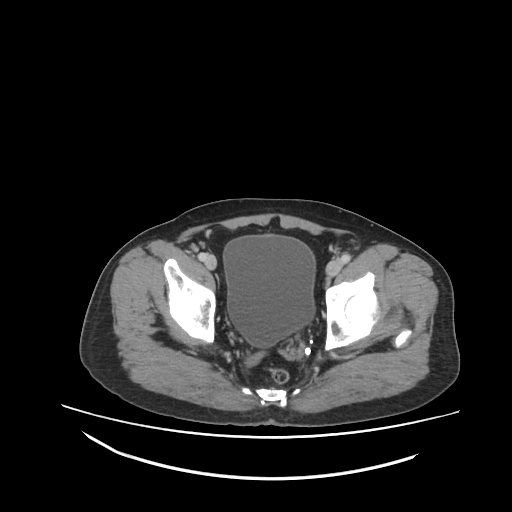
CT abdomen — axial plane, index 13 — acquired on Aquilion ONE
Bounding boxes in pixels, one row per box: x1, y1 is the top-left corner and x2, y2 the bottom-right.
| organ | x1 | y1 | x2 | y2 |
|---|---|---|---|---|
| bladder | 222 | 237 | 314 | 347 |